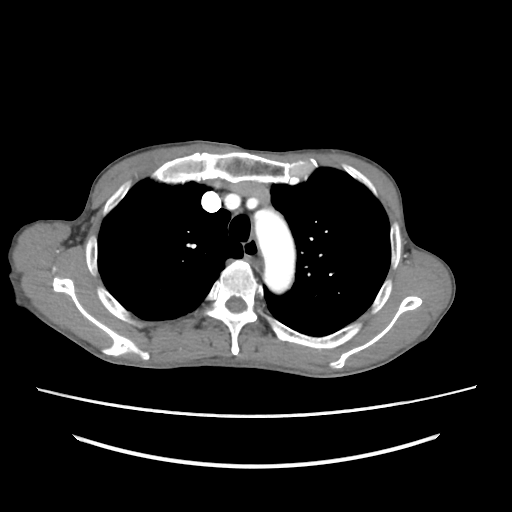
Chest-level CT slice, above the liver and spleen; axial view; W/L 400/40 HU; 512x512 px; scan has 15 labeled organs (counted over the whole 3D scan, not this slice; an organ is boxed only where this slice passes through it)
On a slice this high in the chest, this dataset labels only the esophagus and the aorta, and each is boxed only where it is labeled; the heart, lungs and other chest structures are not labeled. Bounding boxes as [x1, y1, x2, y2] in pixel coordinates. 2 labeled organs on this slice — esophagus at [244, 240, 262, 267]; aorta at [254, 209, 295, 293].